Computed tomography, abdomen. Axial slice 202/353. 512x512 px
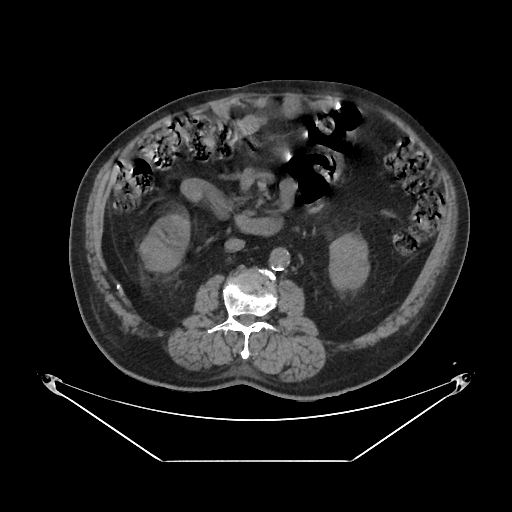

{"organs":{"duodenum":[184,176,279,235],"aorta":[268,248,289,271],"inferior vena cava":[224,238,244,250],"right kidney":[138,212,190,271],"left kidney":[328,233,369,290]}}